Computed tomography, abdomen — axial view — 512x512 px
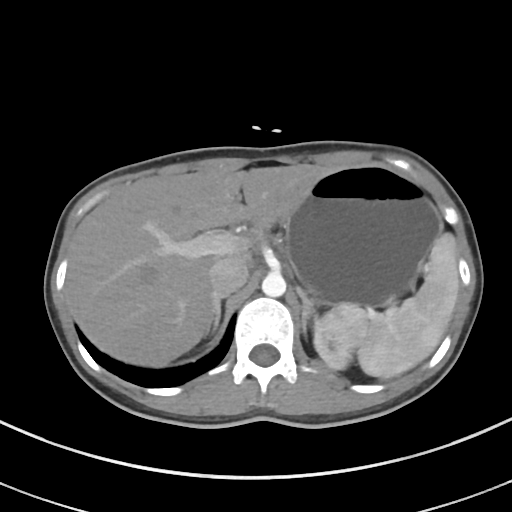
Boxes are (x1, y1, x2, y2) in pixels.
spleen: (328, 232, 459, 377)
left kidney: (313, 315, 354, 369)
liver: (65, 164, 335, 366)
stomach: (285, 164, 442, 305)
aorta: (262, 273, 286, 297)
inferior vena cava: (209, 256, 248, 296)
right adrenal gland: (212, 296, 223, 330)
left adrenal gland: (295, 286, 317, 334)